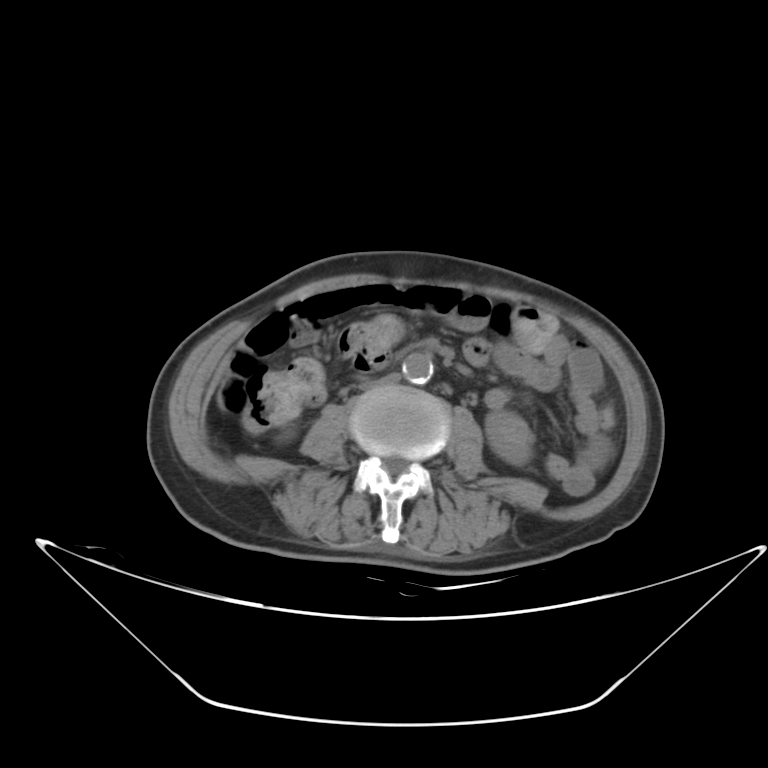
Computed tomography, abdomen · axial plane, index 51 · soft-tissue window · 768x768 px · 15 organs annotated in this scan (counted over the whole 3D scan, not this slice; an organ is boxed only where this slice passes through it)
Boxes are (x1, y1, x2, y2) in pixels.
Organ bounding boxes:
- left kidney: (486, 412, 532, 465)
- aorta: (402, 351, 435, 384)
- inferior vena cava: (363, 372, 406, 391)